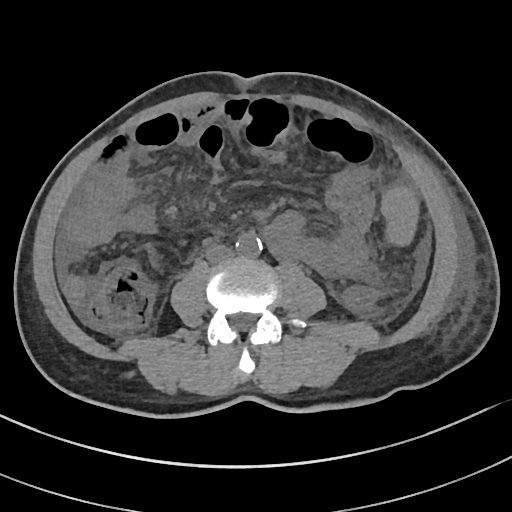

CT abdomen · axial view · soft-tissue window · 512x512 px · acquired on SOMATOM Force
Box edges are left/top/right/bottom in pixels.
Organ bounding boxes:
- spleen: left=381, top=187, right=418, bottom=245
- inferior vena cava: left=205, top=244, right=234, bottom=263
- aorta: left=236, top=233, right=262, bottom=257